CT abdomen; axial view; soft-tissue window
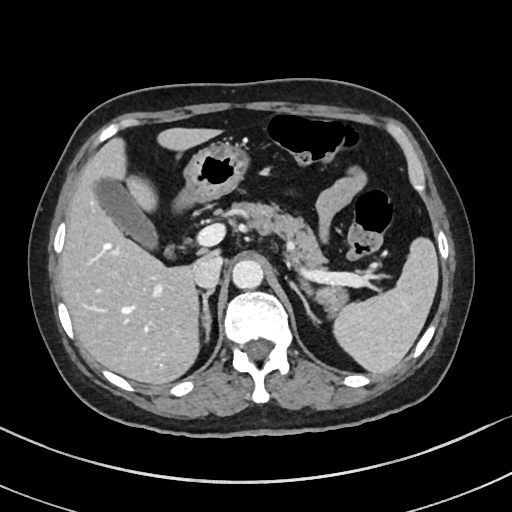
Boxes: x1 y1 x2 y2 (pixel coords, space-separated). Labeled organs on this slice: spleen at 334 239 439 373, gall bladder at 91 176 156 247, liver at 59 128 218 385, stomach at 177 141 245 210, aorta at 232 259 263 289, inferior vena cava at 193 256 222 288, pancreas at 228 200 347 310, right adrenal gland at 201 288 214 341, left adrenal gland at 289 281 319 322.